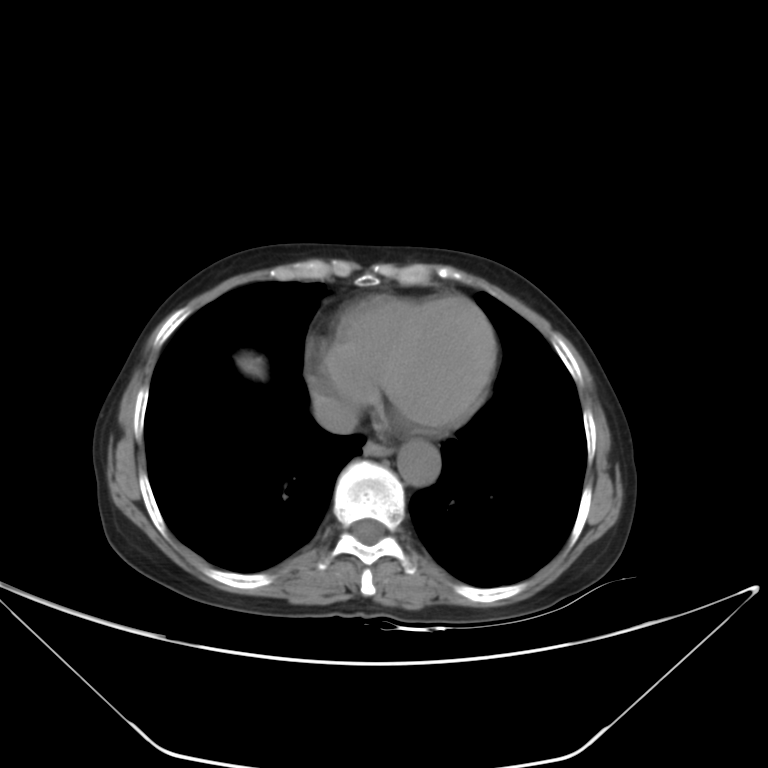

Abdominal CT. axial plane, index 78. soft-tissue window
{"organs":{"esophagus":[363,440,391,455],"liver":[239,356,261,374],"aorta":[396,440,441,486],"inferior vena cava":[312,395,359,433]}}